Lower-chest slice from an abdominal CT, just above the liver and spleen. axial view. soft-tissue window, W/L 400/40
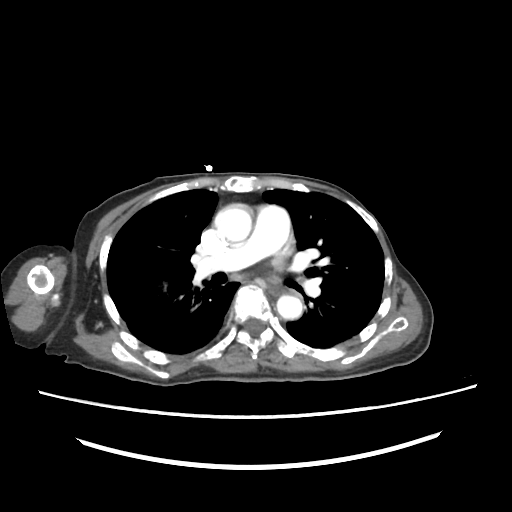 Of the structures in the chest, this dataset labels only the esophagus, the aorta and the inferior vena cava; the heart and lungs have no label.
<organs><organ name="esophagus" x1="268" y1="286" x2="282" y2="295"/><organ name="aorta" x1="214" y1="204" x2="251" y2="242"/><organ name="aorta" x1="276" y1="294" x2="302" y2="319"/></organs>